Computed tomography, abdomen; axial view; soft-tissue window; 52-year-old male patient
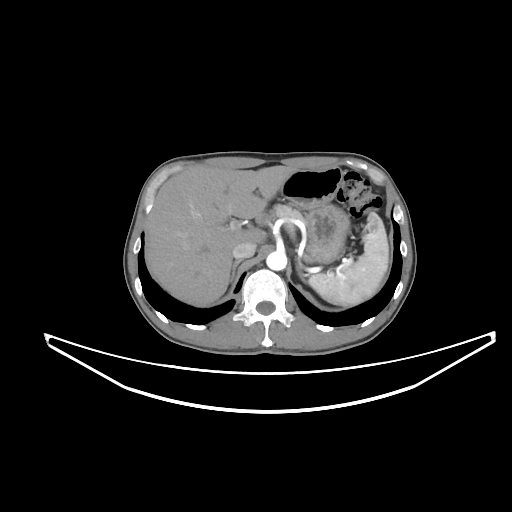

Each box given as x1,y1,x2,y2.
Organ bounding boxes:
- spleen: x1=308, y1=212, x2=388, y2=305
- liver: x1=148, y1=165, x2=297, y2=306
- stomach: x1=280, y1=167, x2=349, y2=263
- aorta: x1=266, y1=250, x2=287, y2=270
- inferior vena cava: x1=232, y1=241, x2=256, y2=258
- pancreas: x1=269, y1=204, x2=306, y2=233
- right adrenal gland: x1=230, y1=259, x2=242, y2=281
- left adrenal gland: x1=296, y1=257, x2=306, y2=282